Lower-chest slice from an abdominal CT, just above the liver and spleen · axial view · 768x768 px · 56-year-old male patient · acquired on Brilliance16 · 14 organs annotated in this scan (a whole-scan count: organs this slice does not pass through have no box)
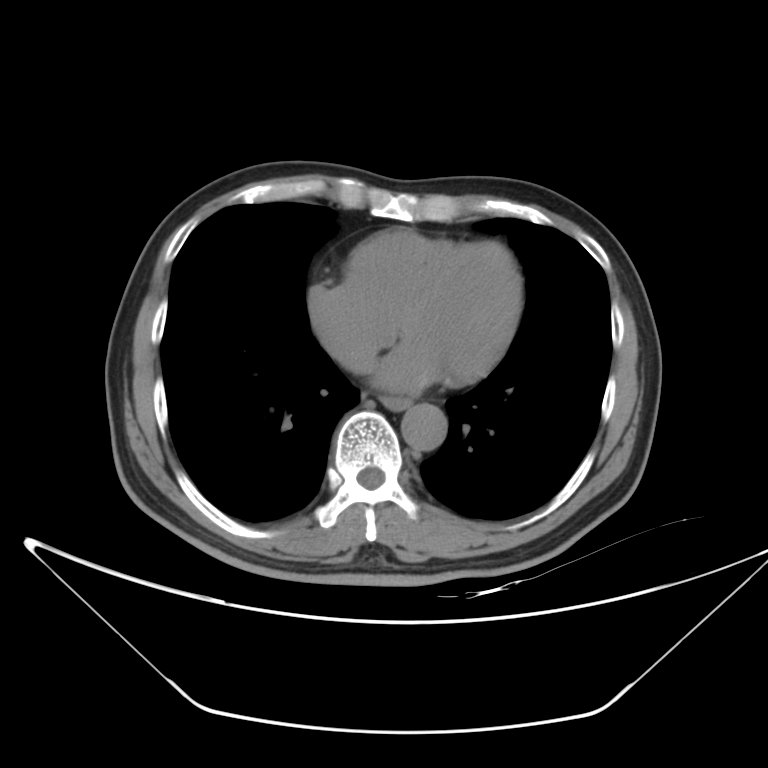 Of the structures in the chest, this dataset labels only the esophagus, the aorta and the inferior vena cava; the heart and lungs have no label. Bounding boxes as [x1, y1, x2, y2] in pixel coordinates. The annotated organs in this slice are: aorta at [401, 404, 447, 450], esophagus at [380, 397, 410, 410].